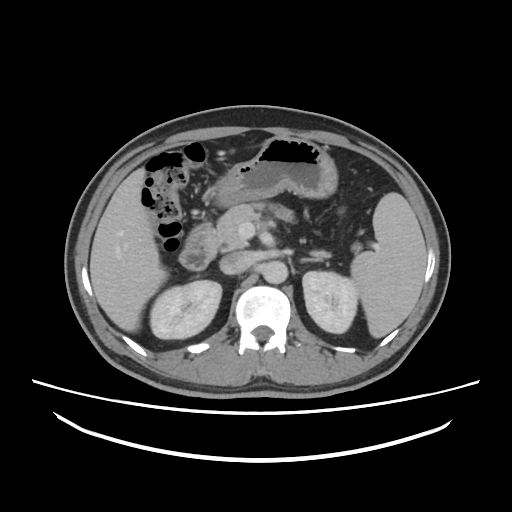
Computed tomography, abdomen · axial plane, index 72 · soft-tissue window · 512x512 px · 31-year-old male patient · Aquilion ONE scanner
Each box given as x1,y1,x2,y2.
Organ bounding boxes:
- right kidney: x1=150, y1=280, x2=221, y2=339
- aorta: x1=262, y1=261, x2=287, y2=283
- spleen: x1=351, y1=193, x2=425, y2=337
- stomach: x1=215, y1=137, x2=337, y2=206
- inferior vena cava: x1=220, y1=251, x2=254, y2=274
- duodenum: x1=179, y1=223, x2=217, y2=270
- left adrenal gland: x1=301, y1=258, x2=323, y2=261
- left kidney: x1=302, y1=271, x2=358, y2=333
- liver: x1=89, y1=141, x2=266, y2=331
- pancreas: x1=213, y1=204, x2=329, y2=259